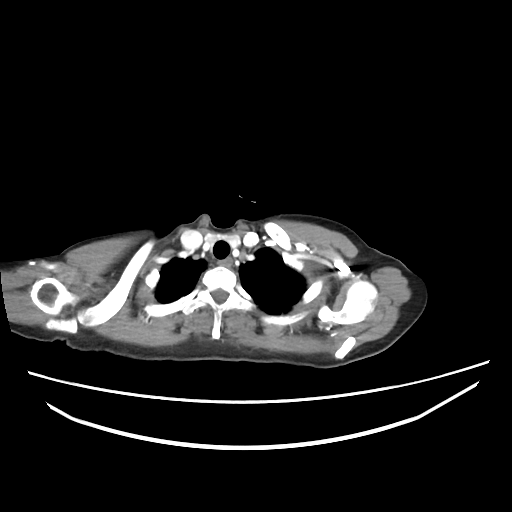

Chest-level slice from an abdominal CT that extends up into the chest · axial view · 43-year-old female patient
On a slice this high in the chest, this dataset labels only the esophagus and the aorta, and each is boxed only where it is labeled; the heart, lungs and other chest structures are not labeled.
Organ boxes in pixel coordinates; each row gives the top-left (x1, y1) and bottom-right (x2, y2) corners.
| organ | x1 | y1 | x2 | y2 |
|---|---|---|---|---|
| esophagus | 217 | 258 | 232 | 267 |